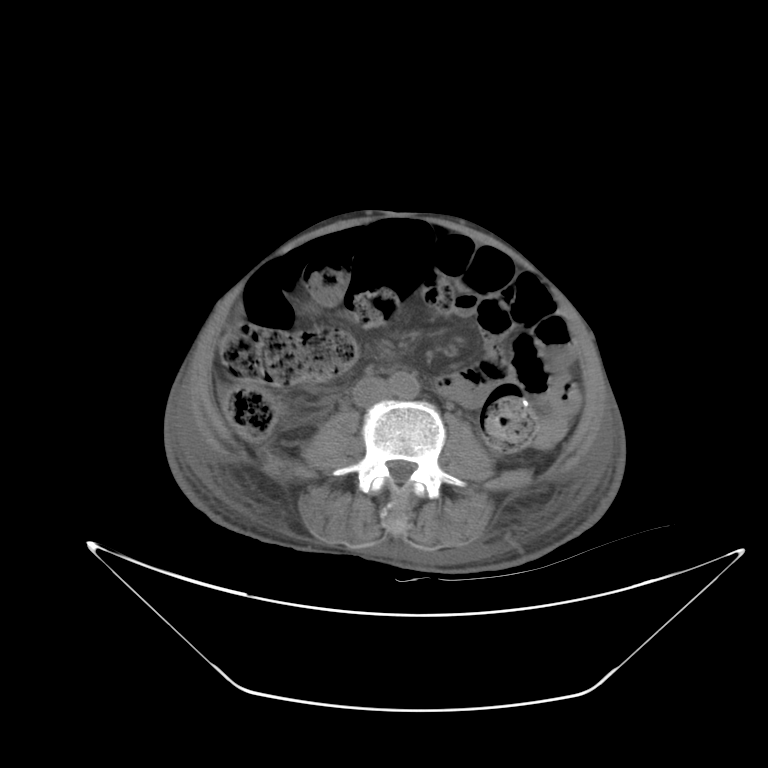 CT, abdomen/pelvis. axial view. W/L 400/40 HU
Box edges are left/top/right/bottom in pixels. 2 labeled organs on this slice — aorta at left=387, top=371, right=419, bottom=399; inferior vena cava at left=352, top=377, right=390, bottom=407.